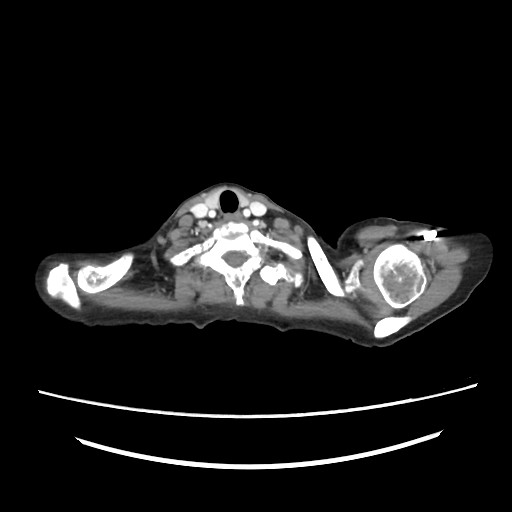

CT of the abdomen extending into the chest, slice through the chest; axial plane, index 110; soft-tissue window (W 400 / L 40); 512x512 px; 48-year-old female patient; acquired on Aquilion ONE
On a slice this high in the chest, this dataset labels only the esophagus and the aorta, and each is boxed only where it is labeled; the heart, lungs and other chest structures are not labeled. Each box given as x1,y1,x2,y2. Labeled organs on this slice: esophagus at x1=233, y1=212, x2=240, y2=218.